Abdominal CT — axial view — 512x512 px — SOMATOM Force scanner
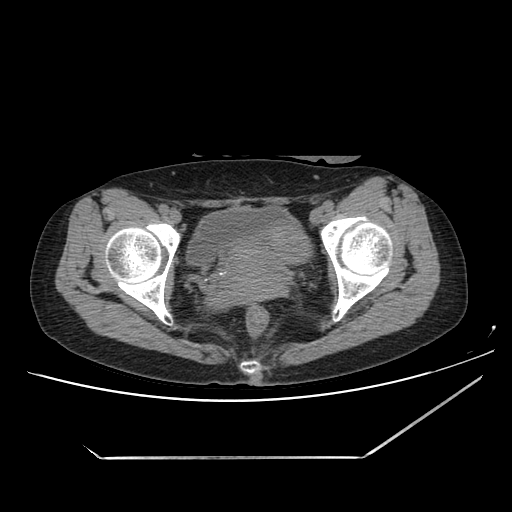
One row per box, in pixels: columns x1 and y1 give the top-left corner, x2 and y2 the bottom-right.
| organ | x1 | y1 | x2 | y2 |
|---|---|---|---|---|
| bladder | 187 | 206 | 299 | 265 |
| prostate/uterus | 208 | 226 | 310 | 308 |